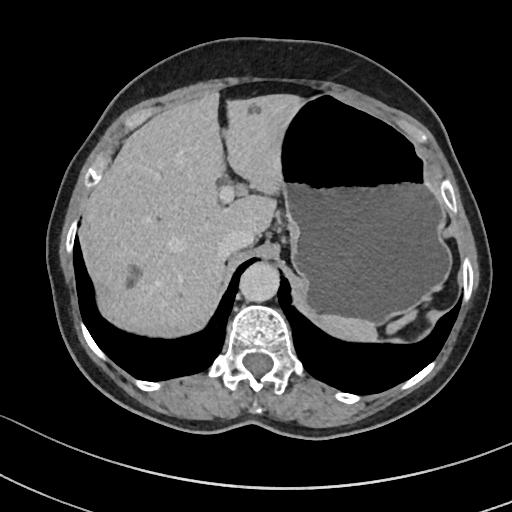

CT, abdomen/pelvis — axial view — 512x512 px
Coordinates as <box>x1,y1,x2,y2</box> in pixels.
spleen: <box>319,311,415,341</box>
liver: <box>81,92,304,336</box>
stomach: <box>281,95,451,324</box>
aorta: <box>239,262,279,302</box>
inferior vena cava: <box>217,230,253,258</box>